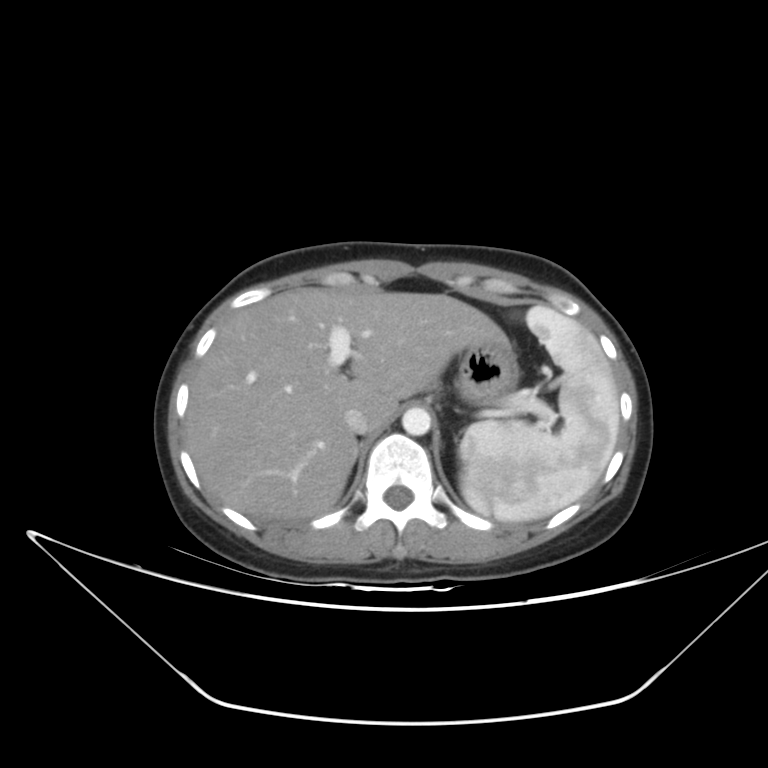

CT abdomen. axial view. soft-tissue window (W 400 / L 40). 768x768 px. 34-year-old female patient. Brilliance16 scanner. 13 organs annotated in this scan (counted over the whole 3D scan, not this slice; an organ is boxed only where this slice passes through it)
Boxes are (x1, y1, x2, y2) in pixels. The annotated organs in this slice are: spleen at (460, 305, 619, 522), liver at (185, 288, 508, 520), stomach at (455, 341, 519, 406), aorta at (402, 407, 431, 435), inferior vena cava at (344, 408, 369, 433).